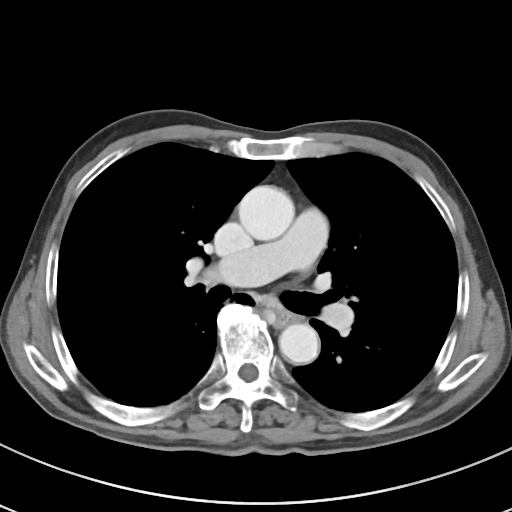
Chest-level CT slice, above the liver and spleen — Axial slice 94/122
At this level of the chest no structure but the esophagus and the aorta has a label in this dataset, and those two are boxed only where they are labeled.
{"organs":{"esophagus":[275,310,294,326],"aorta":[[238,185,294,240],[279,324,319,364]]}}